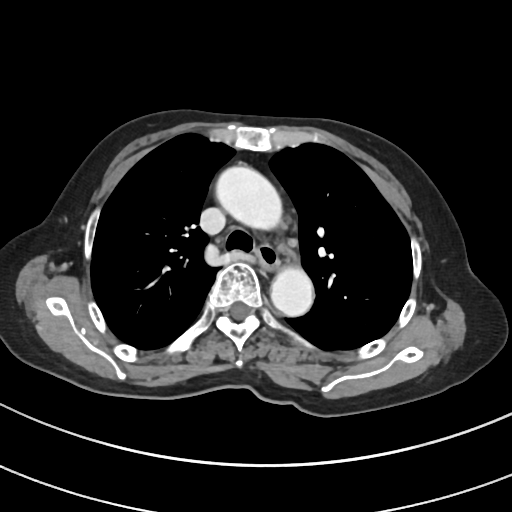

Abdominal CT reaching into the chest; this slice is in the chest. axial view. soft-tissue window
On a slice this high in the chest, this dataset labels only the esophagus and the aorta, and each is boxed only where it is labeled; the heart, lungs and other chest structures are not labeled.
{"organs":{"esophagus":[256,244,279,270],"aorta":[[216,166,282,229],[270,265,313,316]]}}